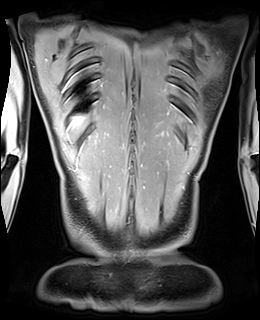 MRI, abdomen; coronal plane, index 35; 1st–99th percentile window
{"organs":{"liver":[71,116,84,125]}}